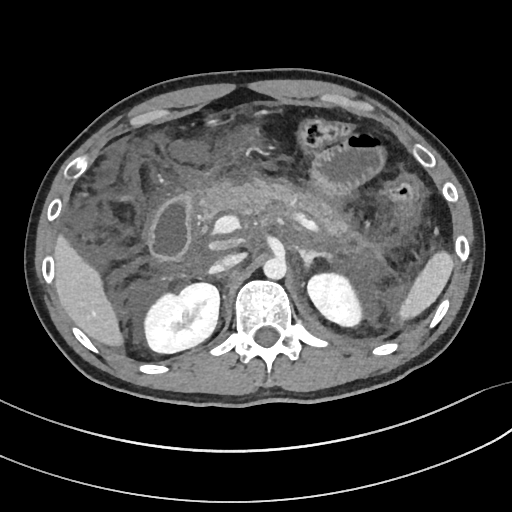
Computed tomography, abdomen. axial plane, index 168
Coordinates as <box>x1,y1,x2,y2</box> in pixels. 9 labeled organs on this slice — inferior vena cava at <box>209,253,243,273</box>; spleen at <box>400,250,454,319</box>; right kidney at <box>145,283,219,353</box>; pancreas at <box>201,181,379,258</box>; left kidney at <box>307,272,361,326</box>; aorta at <box>263,257,287,279</box>; duodenum at <box>149,191,195,258</box>; liver at <box>53,233,125,348</box>; left adrenal gland at <box>298,246,327,271</box>.